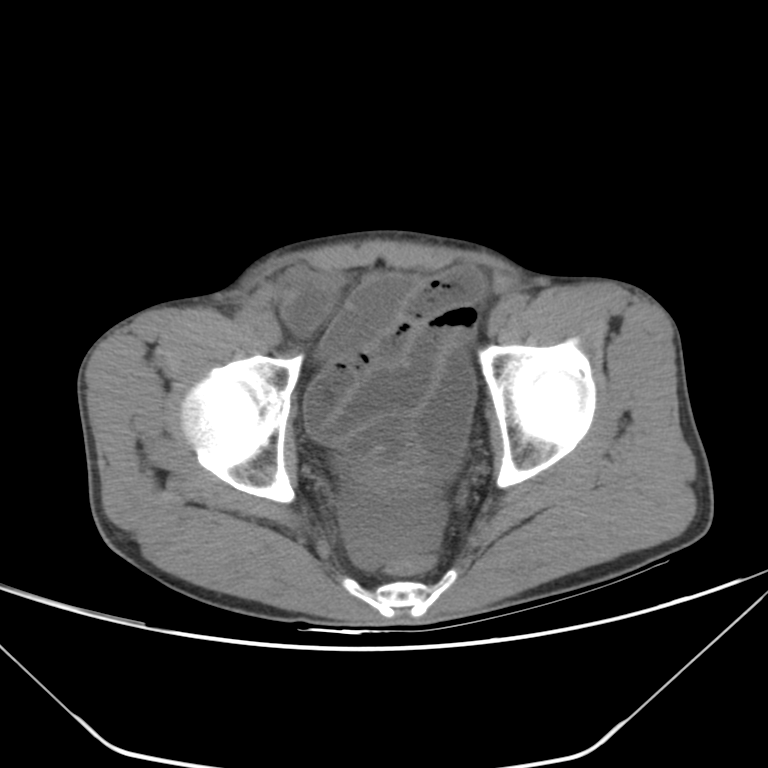
CT abdomen — axial plane, index 20 — scan has 15 labeled organs (counted over the whole 3D scan, not this slice; an organ is boxed only where this slice passes through it)
Bounding boxes in pixels, one row per box: x1, y1 is the top-left corner and x2, y2 the bottom-right.
| organ | x1 | y1 | x2 | y2 |
|---|---|---|---|---|
| bladder | 354 | 462 | 429 | 490 |